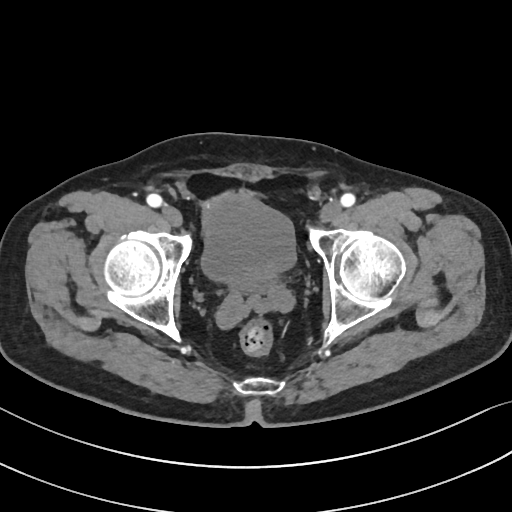 CT, abdomen/pelvis — Axial slice 38/306
Boxes are (x1, y1, x2, y2) in pixels. 2 labeled organs on this slice — bladder at (203, 195, 294, 279); prostate/uterus at (229, 266, 277, 290).